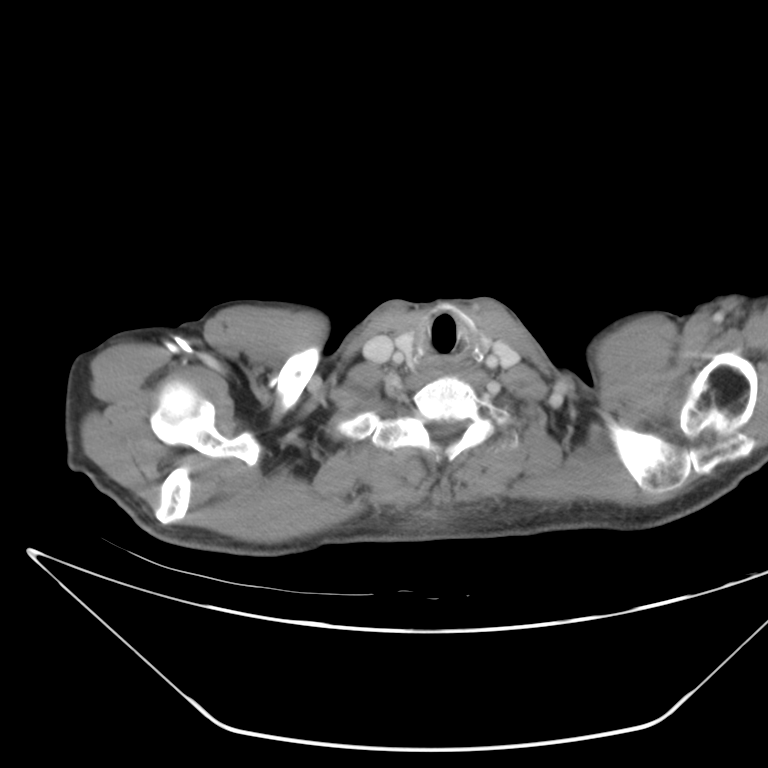 Chest-level slice from an abdominal CT that extends up into the chest. Axial slice 104/104
At this level of the chest no structure but the esophagus and the aorta has a label in this dataset, and those two are boxed only where they are labeled.
Boxes are (x1, y1, x2, y2) in pixels.
Organ bounding boxes:
- esophagus: (421, 354, 448, 376)